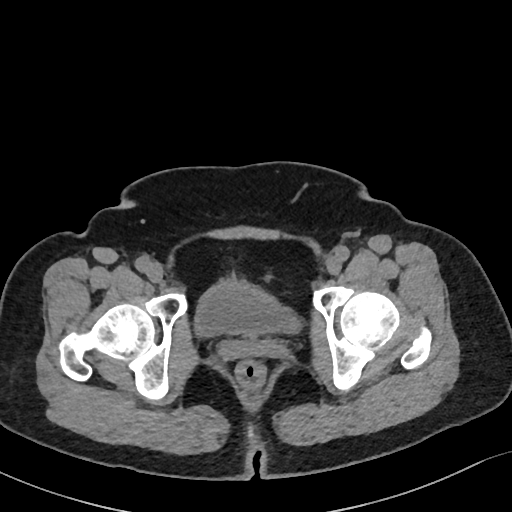

Computed tomography, abdomen; axial view; abdomen soft-tissue window
Box edges are left/top/right/bottom in pixels.
Organ bounding boxes:
- bladder: left=195, top=279, right=299, bottom=336